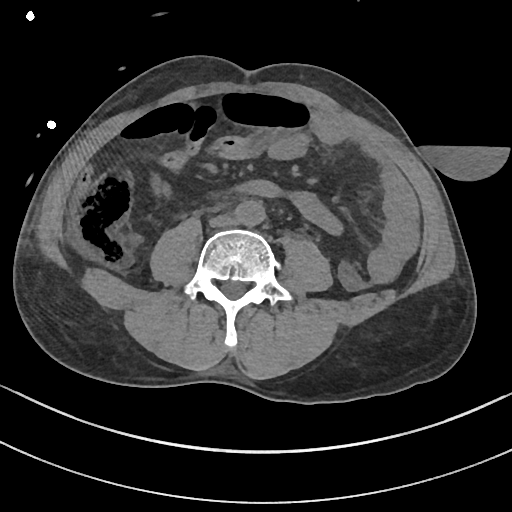

CT, abdomen/pelvis — axial view — soft-tissue window
Bounding boxes as [x1, y1, x2, y2] in pixel coordinates.
Organ bounding boxes:
- aorta: [234, 200, 265, 226]
- inferior vena cava: [209, 215, 237, 227]